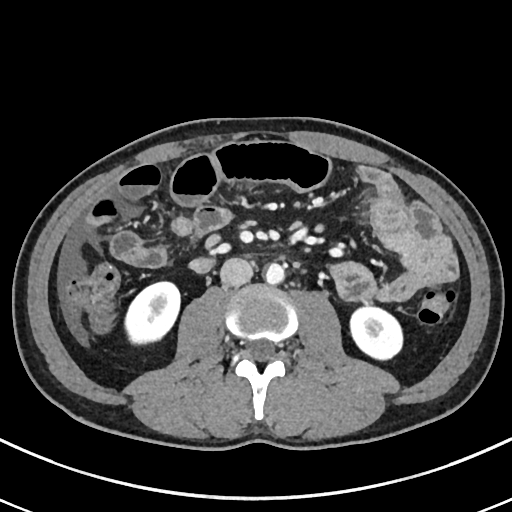
Abdominal CT — axial plane, index 116 — W/L 400/40 HU
{"organs":{"inferior vena cava":[220,257,253,286],"aorta":[265,263,284,284],"right kidney":[125,282,180,344],"left kidney":[350,307,402,359]}}